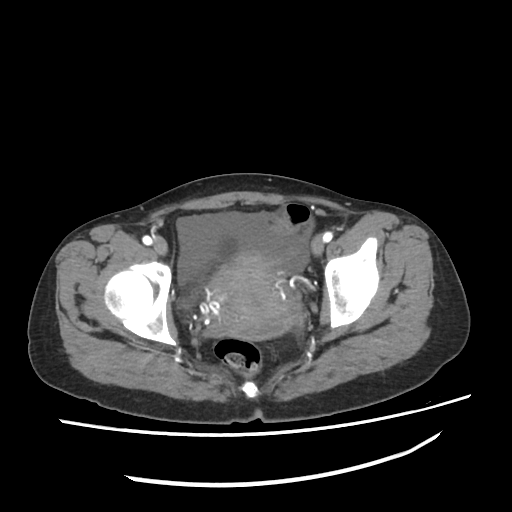

CT abdomen — axial plane, index 10 — W/L 400/40 HU — 512x512 px — Aquilion ONE scanner
Organ boxes in pixel coordinates; each row gives the top-left (x1, y1) and bottom-right (x2, y2) corners.
| organ | x1 | y1 | x2 | y2 |
|---|---|---|---|---|
| prostate/uterus | 205 | 252 | 299 | 338 |
| bladder | 180 | 276 | 205 | 307 |